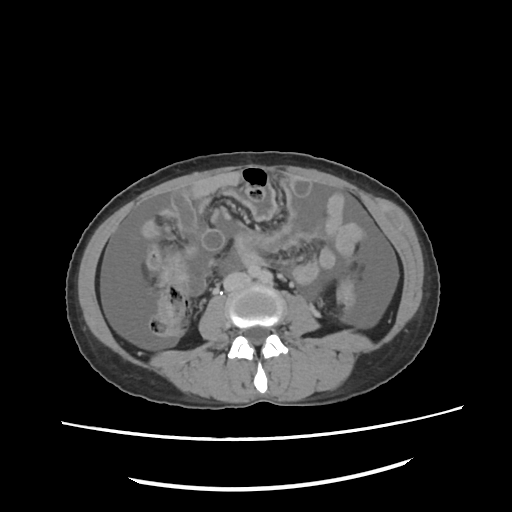

CT abdomen — axial view — W/L 400/40 HU — 512x512 px — Aquilion ONE scanner — scan has 15 labeled organs (a whole-scan count: organs this slice does not pass through have no box)
Boxes are (x1, y1, x2, y2) in pixels.
Organ bounding boxes:
- inferior vena cava: (224, 272, 251, 289)